Abdominal CT · axial view · abdomen soft-tissue window
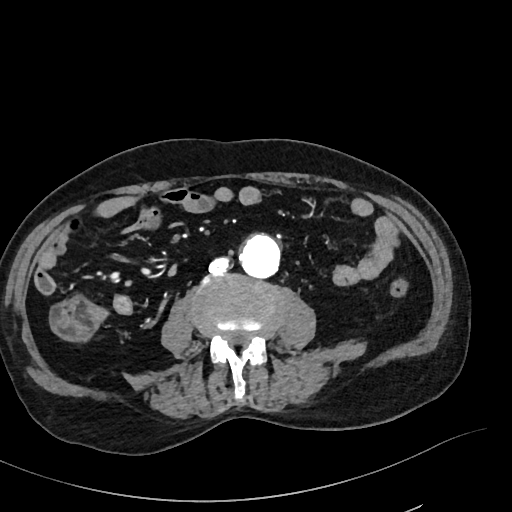
Box edges are left/top/right/bottom in pixels. 2 labeled organs on this slice — aorta at left=239, top=235, right=280, bottom=278; inferior vena cava at left=210, top=257, right=231, bottom=272.